Abdominal CT reaching into the chest; this slice is in the chest; axial view; soft-tissue window (W 400 / L 40)
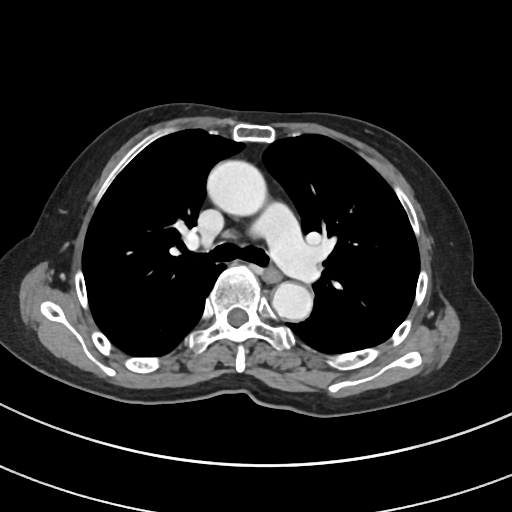 At this level of the chest this dataset labels only the esophagus and the aorta, and each is boxed only where it is labeled; the heart and lungs are never labeled.
<organs><organ name="aorta" x1="206" y1="160" x2="266" y2="215"/><organ name="aorta" x1="272" y1="282" x2="312" y2="321"/><organ name="esophagus" x1="264" y1="267" x2="280" y2="282"/></organs>